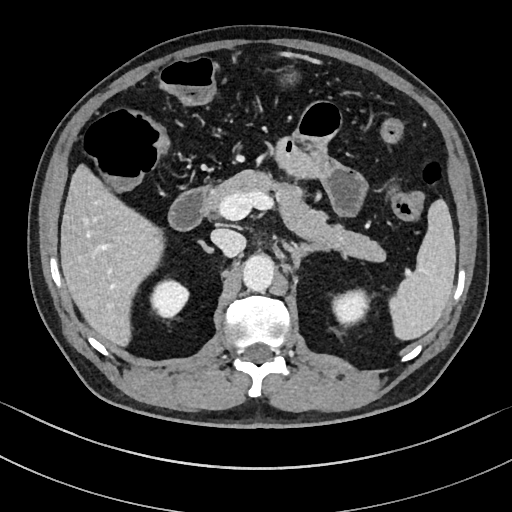
Abdominal CT — axial view — SOMATOM Force scanner
Boxes: x1 y1 x2 y2 (pixel coords, space-separated).
spleen: 389 199 456 340
right kidney: 150 279 188 317
left kidney: 332 290 369 325
liver: 60 164 164 346
stomach: 282 68 295 81
aorta: 242 254 274 291
inferior vena cava: 211 229 245 256
pancreas: 206 170 385 262
right adrenal gland: 202 245 213 253
left adrenal gland: 283 242 329 268
duodenum: 168 187 208 230